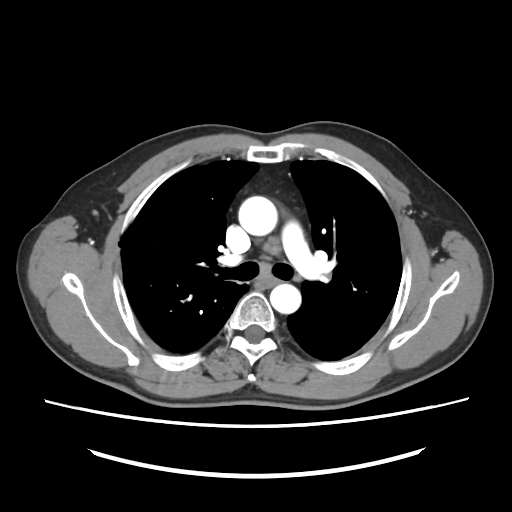
CT of the abdomen extending into the chest, slice through the chest — axial plane, index 112 — 46-year-old male patient
At this level of the chest this dataset labels only the esophagus and the aorta, and each is boxed only where it is labeled; the heart and lungs are never labeled.
Boxes: x1 y1 x2 y2 (pixel coords, space-separated).
aorta: 238 196 277 235
aorta: 270 284 301 313
esophagus: 259 276 279 285